Computed tomography, abdomen. axial view. 15 organs annotated in this scan (counted over the whole 3D scan, not this slice; an organ is boxed only where this slice passes through it)
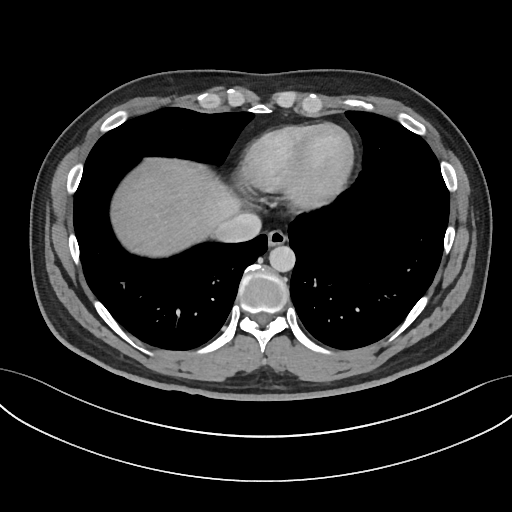

Coordinates as <box>x1,y1,x2,y2</box> in pixels.
Organ bounding boxes:
- esophagus: <box>267,230,286,247</box>
- liver: <box>111,160,239,255</box>
- aorta: <box>269,245,295,272</box>
- inferior vena cava: <box>214,212,261,241</box>